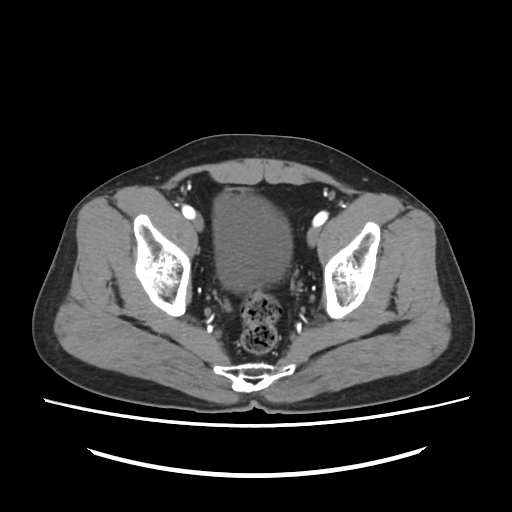 CT abdomen — axial plane, index 27 — 512x512 px — 15 organs annotated in this scan (counted over the whole 3D scan, not this slice; an organ is boxed only where this slice passes through it)
Box edges are left/top/right/bottom in pixels.
bladder: left=213, top=193, right=292, bottom=290